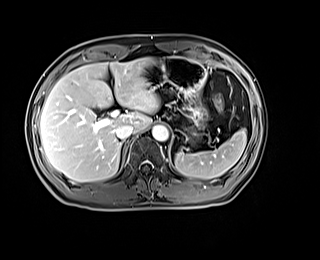

Magnetic resonance imaging, abdomen. axial view. 320x260 px
{"organs":{"spleen":[174,129,246,178],"liver":[40,57,159,182],"stomach":[143,57,206,128],"aorta":[152,125,168,141],"inferior vena cava":[116,124,133,139]}}